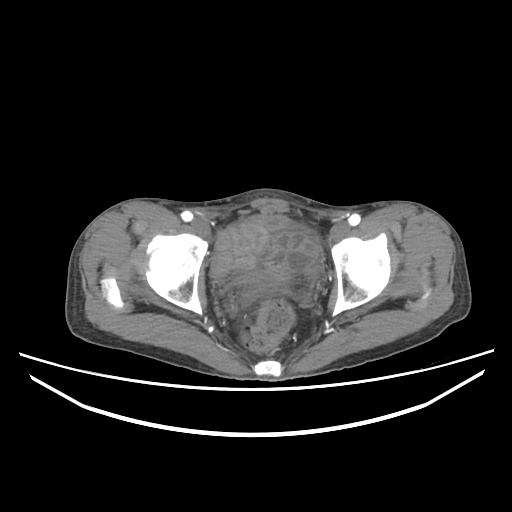 Computed tomography, abdomen · axial view · 50-year-old male patient · Aquilion ONE scanner
Boxes: x1:y1:x2:y2 in pixels.
bladder: 231:215:289:286